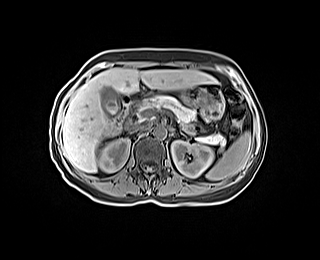

MRI, abdomen; axial view; percentile-normalized; 13 organs annotated in this scan (that count is for the whole scan; organs this slice misses have no box)
{"organs":{"gall bladder":[101,86,119,114],"inferior vena cava":[131,124,145,131],"stomach":[180,86,207,106],"pancreas":[139,96,225,144],"left kidney":[171,140,213,177],"liver":[62,68,217,172],"right kidney":[98,138,130,172],"aorta":[153,126,166,137],"spleen":[206,132,251,180],"duodenum":[113,91,149,132],"left adrenal gland":[180,132,186,136]}}